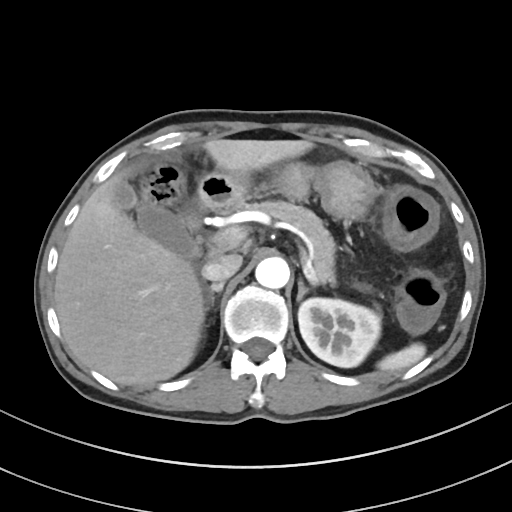 CT, abdomen/pelvis. Axial slice 68/89. soft-tissue window
Box edges are left/top/right/bottom in pixels.
spleen: left=377, top=343, right=425, bottom=371
left kidney: left=298, top=298, right=380, bottom=367
gall bladder: left=113, top=181, right=198, bottom=256
liver: left=54, top=139, right=313, bottom=385
stomach: left=209, top=161, right=380, bottom=219
aorta: left=255, top=257, right=289, bottom=288
inferior vena cava: left=201, top=254, right=242, bottom=280
pancreas: left=239, top=200, right=335, bottom=285
right adrenal gland: left=209, top=281, right=224, bottom=310
left adrenal gland: left=296, top=278, right=309, bottom=301
duodenum: left=185, top=174, right=240, bottom=230